CT, abdomen/pelvis · axial view · 45-year-old male patient
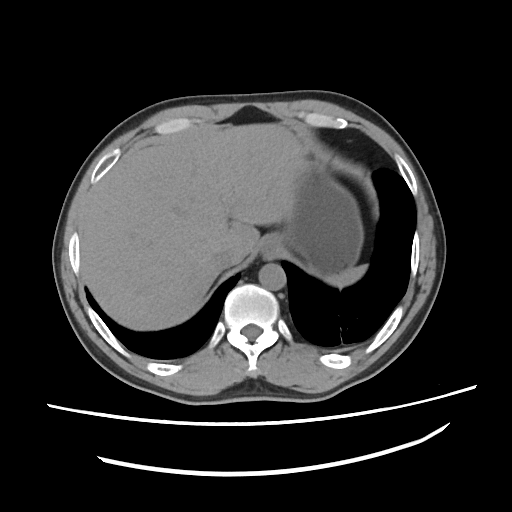
Each box given as x1,y1,x2,y2. 6 labeled organs on this slice — spleen at x1=329, y1=267, x2=365, y2=289; esophagus at x1=262, y1=246, x2=275, y2=258; liver at x1=80, y1=123, x2=307, y2=329; stomach at x1=260, y1=156, x2=363, y2=281; aorta at x1=258, y1=263, x2=286, y2=289; inferior vena cava at x1=212, y1=249, x2=234, y2=269.